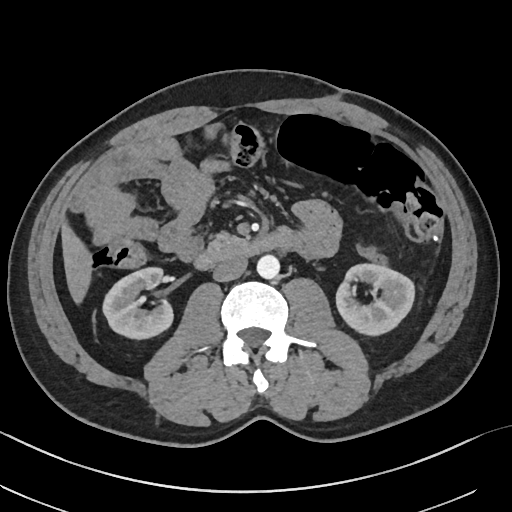 Computed tomography, abdomen · Axial slice 136/307 · 512x512 px
Each box given as x1,y1,x2,y2. Labeled organs on this slice: right kidney at x1=103, y1=268, x2=173, y2=340, left kidney at x1=336, y1=264, x2=413, y2=335, liver at x1=61, y1=219, x2=92, y2=305, aorta at x1=257, y1=255, x2=279, y2=279, inferior vena cava at x1=212, y1=256, x2=247, y2=282, pancreas at x1=206, y1=230, x2=246, y2=249, duodenum at x1=194, y1=234, x2=290, y2=269.